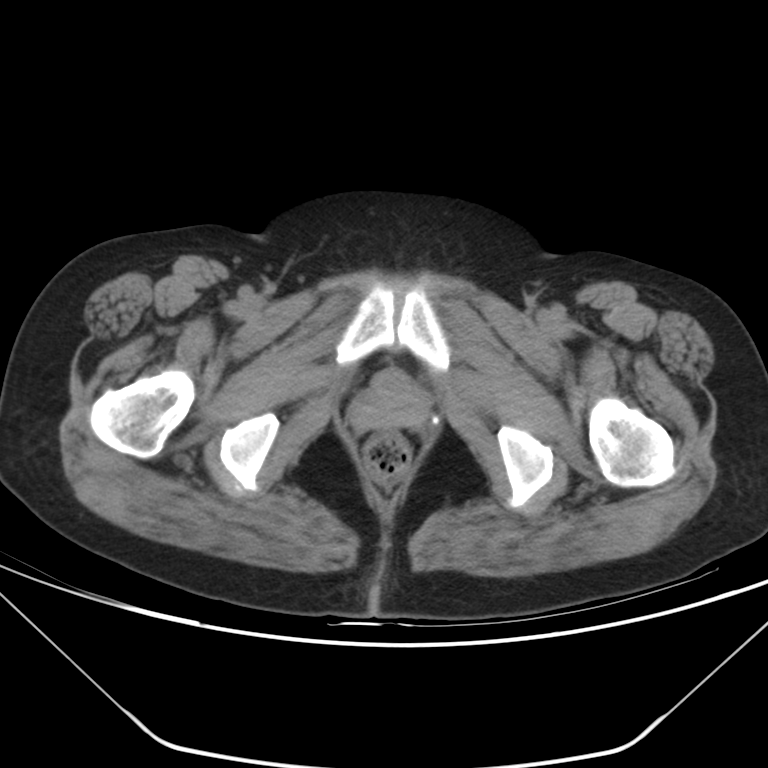
Abdominal CT; axial view; soft-tissue window (W 400 / L 40)
<organs><organ name="prostate/uterus" x1="349" y1="366" x2="431" y2="430"/></organs>